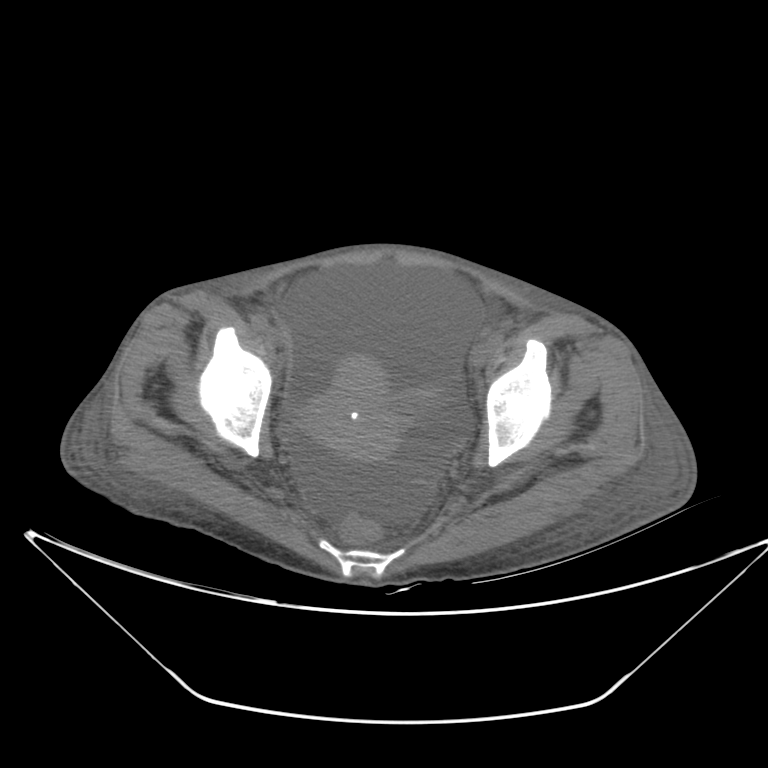

CT abdomen — axial view — abdomen soft-tissue window — 768x768 px — acquired on Brilliance16
Boxes are (x1, y1, x2, y2) in pixels. The annotated organs in this slice are: prostate/uterus at (301, 356, 398, 459).